CT of the abdomen extending into the chest, slice through the chest — axial view — soft-tissue window — 50-year-old male patient
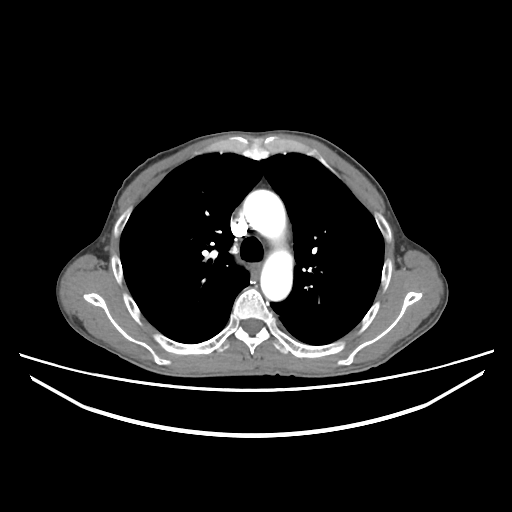 At this level of the chest no structure but the esophagus and the aorta has a label in this dataset, and those two are boxed only where they are labeled.
Bounding boxes as [x1, y1, x2, y2] in pixel coordinates.
esophagus: [250, 263, 259, 273]
aorta: [243, 190, 292, 300]